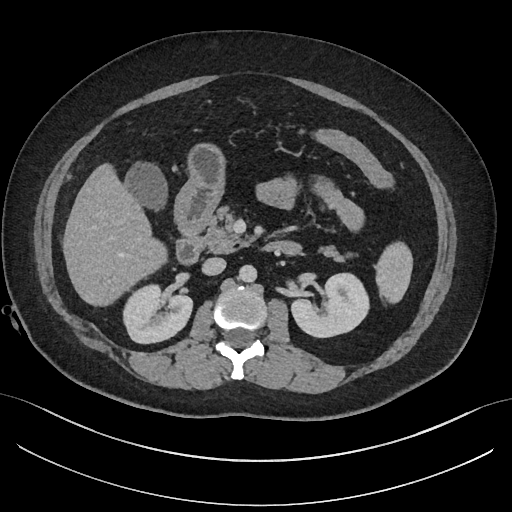

CT abdomen. axial plane, index 147. W/L 400/40 HU
Boxes: x1:y1:x2:y2 in pixels.
aorta: 239:265:257:283
liver: 62:161:166:307
inferior vena cava: 201:257:225:275
right kidney: 125:287:192:344
pancreas: 204:205:355:263
gall bladder: 124:161:169:211
stomach: 174:142:224:236
duodenum: 177:232:301:262
left kidney: 290:274:367:338
spleen: 377:243:413:303